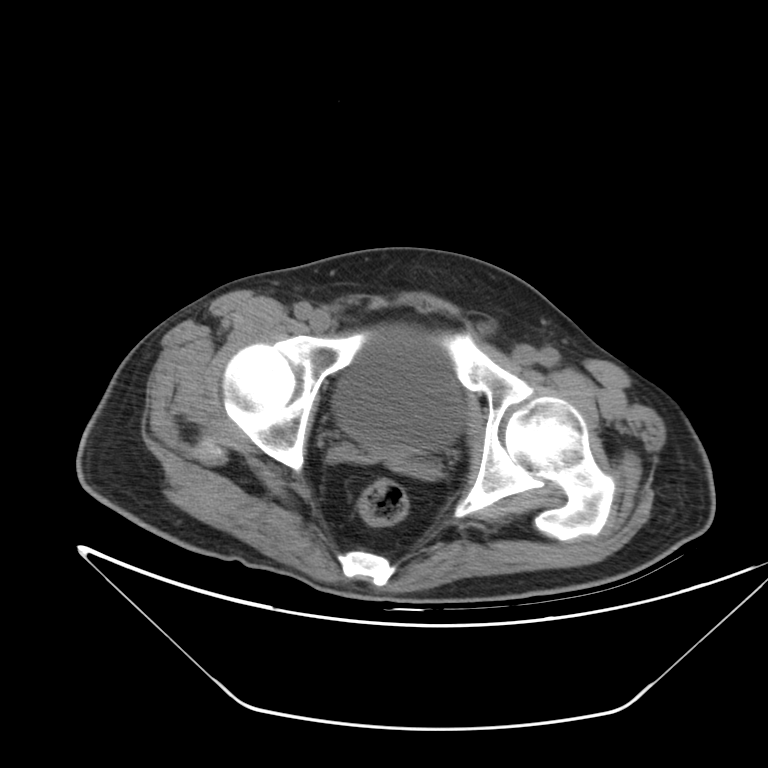 Computed tomography, abdomen; axial view; abdomen soft-tissue window; 47-year-old male patient; Brilliance16 scanner
Organ boxes in pixel coordinates; each row gives the top-left (x1, y1) and bottom-right (x2, y2) corners.
| organ | x1 | y1 | x2 | y2 |
|---|---|---|---|---|
| bladder | 334 | 334 | 464 | 458 |